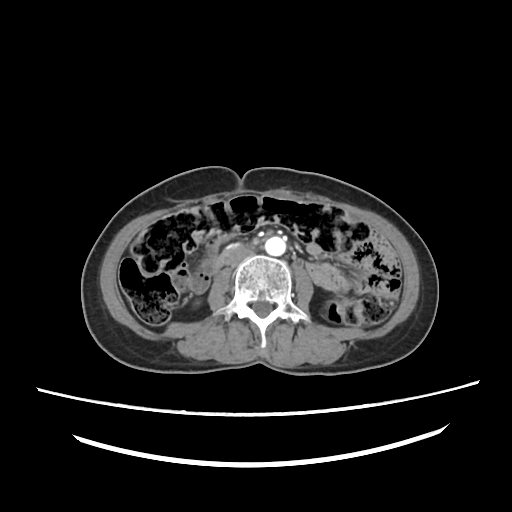
Abdominal CT · axial plane, index 43 · acquired on Aquilion ONE · scan has 15 labeled organs (a whole-scan count: organs this slice does not pass through have no box)
Boxes are (x1, y1, x2, y2) in pixels.
aorta: (265, 236, 287, 256)
inferior vena cava: (224, 249, 252, 266)
duodenum: (212, 243, 246, 271)